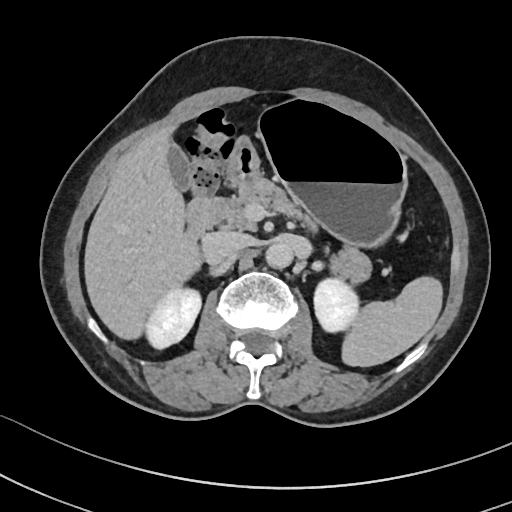 CT, abdomen/pelvis; Axial slice 132/192; scan has 15 labeled organs (that count is for the whole scan; organs this slice misses have no box)
Boxes: x1:y1:x2:y2 in pixels. Labeled organs on this slice: left kidney at 313:276:360:333, aorta at 267:241:294:267, liver at 85:128:200:337, pancreas at 192:178:372:279, spleen at 343:278:441:366, right kidney at 146:286:201:349, inferior vena cava at 203:231:248:262, gall bladder at 166:142:189:190, duodenum at 183:203:210:242, stomach at 227:98:405:245.